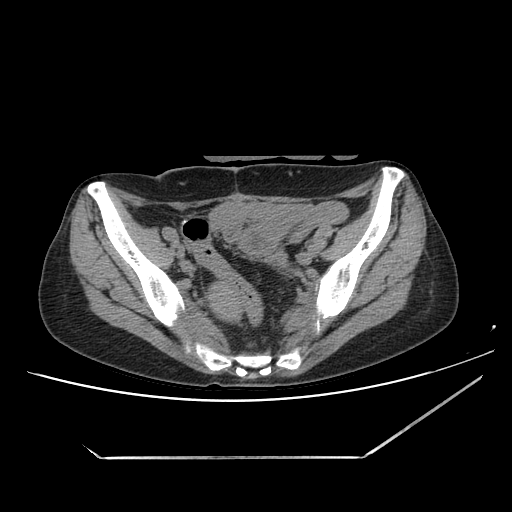 CT abdomen — axial view — SOMATOM Force scanner
Boxes: x1 y1 x2 y2 (pixel coords, space-separated). 1 labeled organ on this slice — prostate/uterus at 208 283 241 321.